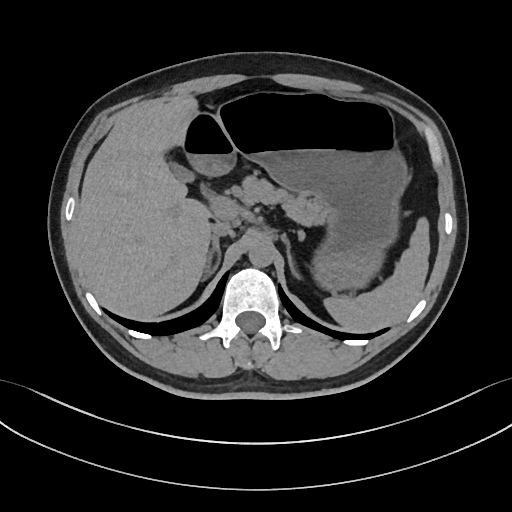
Abdominal CT; axial view; soft-tissue window
Boxes: x1:y1:x2:y2 in pixels. 9 labeled organs on this slice — spleen at 322:220:428:332; gall bladder at 173:166:195:181; liver at 73:95:211:319; stomach at 183:93:407:288; aorta at 248:242:273:267; inferior vena cava at 210:220:235:237; pancreas at 244:177:325:226; right adrenal gland at 211:237:219:268; left adrenal gland at 282:235:296:277.